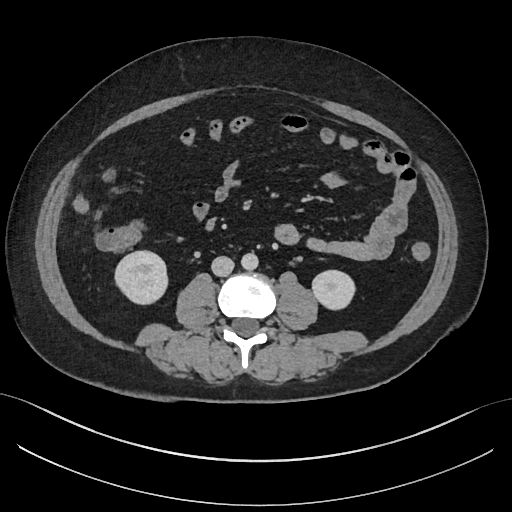
CT abdomen; Axial slice 118/305; W/L 400/40 HU; 512x512 px
Box edges are left/top/right/bottom in pixels.
Organ bounding boxes:
- right kidney: left=113, top=250, right=168, bottom=304
- left kidney: left=311, top=270, right=356, bottom=311
- aorta: left=240, top=253, right=258, bottom=270
- inferior vena cava: left=211, top=256, right=233, bottom=276